Abdominal CT; axial view; soft-tissue window
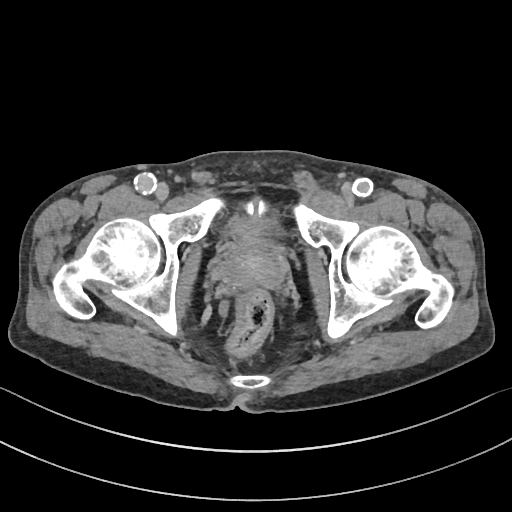 Bounding boxes as [x1, y1, x2, y2] in pixel coordinates.
bladder: [228, 212, 278, 241]
prostate/uterus: [223, 243, 282, 288]